Abdominal CT reaching into the chest; this slice is in the chest; Axial slice 106/124; soft-tissue window, W/L 400/40; 512x512 px; 34-year-old female patient; 15 organs annotated in this scan (counted over the whole 3D scan, not this slice; an organ is boxed only where this slice passes through it)
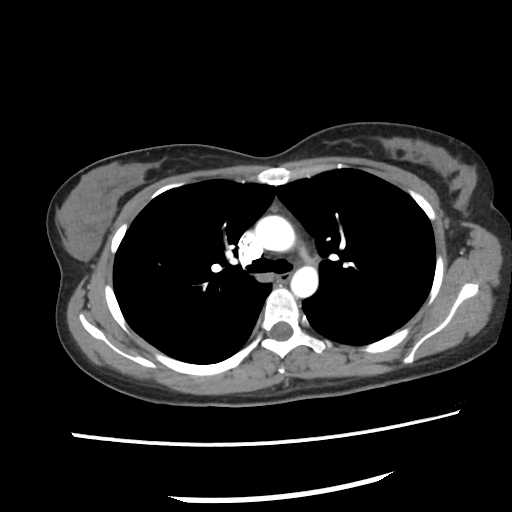
At this level of the chest this dataset labels only the esophagus and the aorta, and each is boxed only where it is labeled; the heart and lungs are never labeled.
{"organs":{"esophagus":[275,272,291,282],"aorta":[[256,215,296,254],[289,265,318,299]]}}